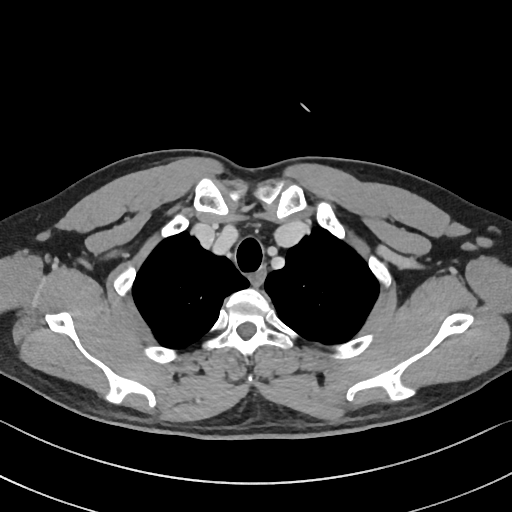 Chest-level slice from an abdominal CT that extends up into the chest. axial view. 15 organs annotated in this scan (counted over the whole 3D scan, not this slice; an organ is boxed only where this slice passes through it)
On a slice this high in the chest, this dataset labels only the esophagus and the aorta, and each is boxed only where it is labeled; the heart, lungs and other chest structures are not labeled.
{"organs":{"esophagus":[248,266,264,286]}}